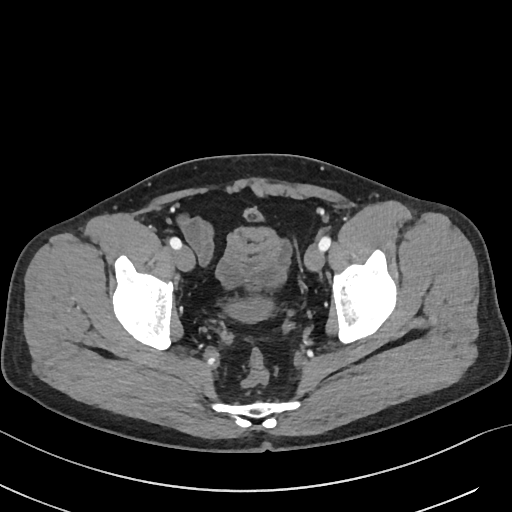
CT, abdomen/pelvis — Axial slice 48/307
Boxes: x1:y1:x2:y2 in pixels. Labeled organs on this slice: bladder at 229:208:272:319.